CT abdomen; axial view; abdomen soft-tissue window; acquired on SOMATOM Force
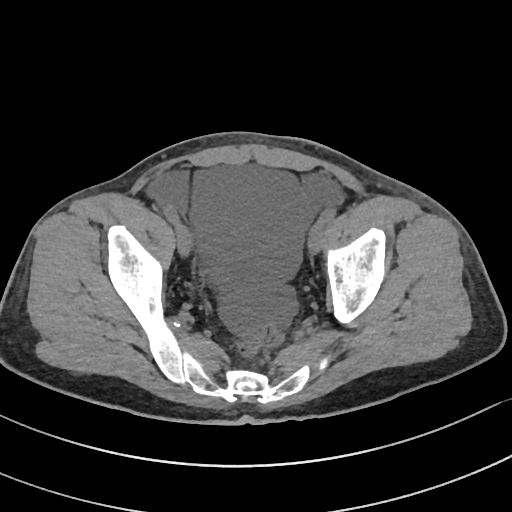
Coordinates as <box>x1,y1,x2,y2</box> in pixels. The annotated organs in this slice are: bladder at <box>208,259,231,285</box>.